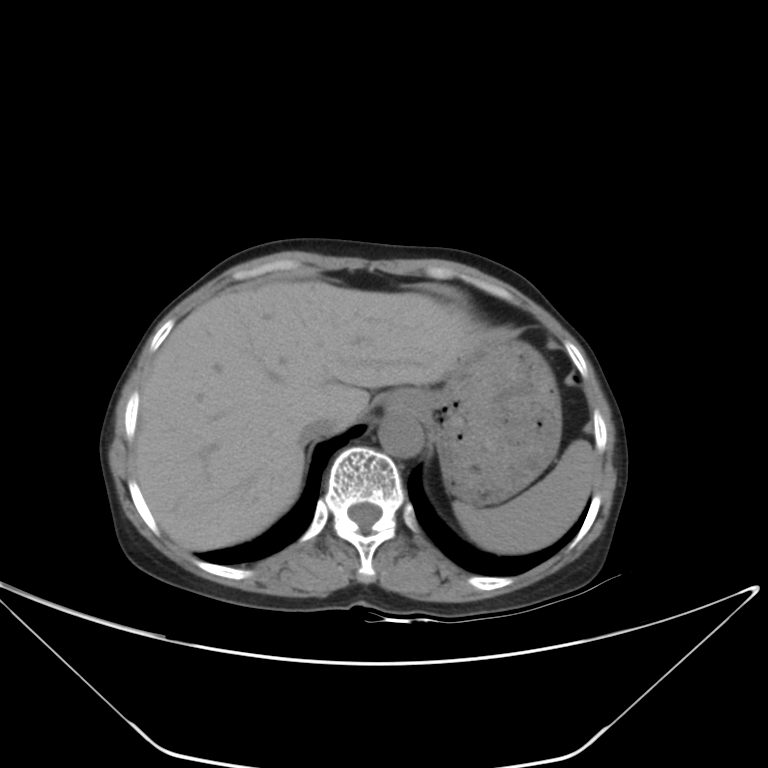

Computed tomography, abdomen · Axial slice 72/85 · abdomen soft-tissue window · Brilliance16 scanner
Boxes: x1:y1:x2:y2 in pixels.
spleen: 453:440:595:553
esophagus: 385:389:413:410
liver: 133:281:484:550
stomach: 407:331:562:505
aorta: 379:410:423:457
inferior vena cava: 298:420:341:450